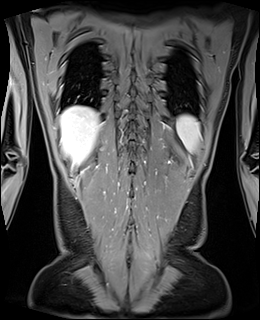
Abdominal MR. coronal plane, index 41. percentile-normalized. 260x320 px
Each box given as x1,y1,x2,y2. 2 labeled organs on this slice — spleen at x1=176, y1=115, x2=200, y2=151; liver at x1=60, y1=105, x2=100, y2=165.